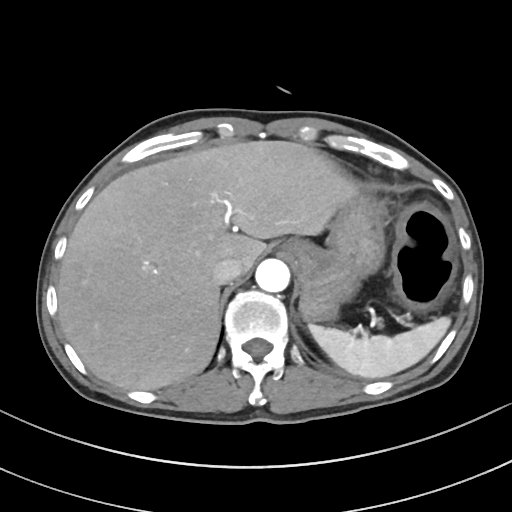 CT, abdomen/pelvis · axial view · soft-tissue window · scan has 15 labeled organs (a whole-scan count: organs this slice does not pass through have no box)
<organs><organ name="spleen" x1="309" y1="317" x2="449" y2="378"/><organ name="liver" x1="57" y1="141" x2="358" y2="390"/><organ name="stomach" x1="285" y1="195" x2="385" y2="322"/><organ name="aorta" x1="255" y1="259" x2="289" y2="292"/><organ name="inferior vena cava" x1="212" y1="258" x2="243" y2="284"/></organs>